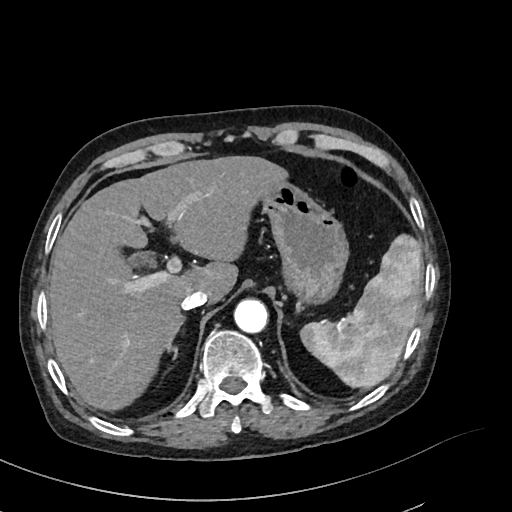 CT abdomen · axial plane, index 189 · acquired on SOMATOM Force
<organs><organ name="stomach" x1="259" y1="180" x2="348" y2="301"/><organ name="inferior vena cava" x1="180" y1="289" x2="208" y2="309"/><organ name="liver" x1="47" y1="155" x2="285" y2="408"/><organ name="aorta" x1="233" y1="299" x2="268" y2="332"/><organ name="gall bladder" x1="125" y1="251" x2="152" y2="269"/><organ name="right adrenal gland" x1="166" y1="314" x2="186" y2="349"/><organ name="spleen" x1="301" y1="235" x2="423" y2="388"/></organs>